Computed tomography, abdomen; axial view
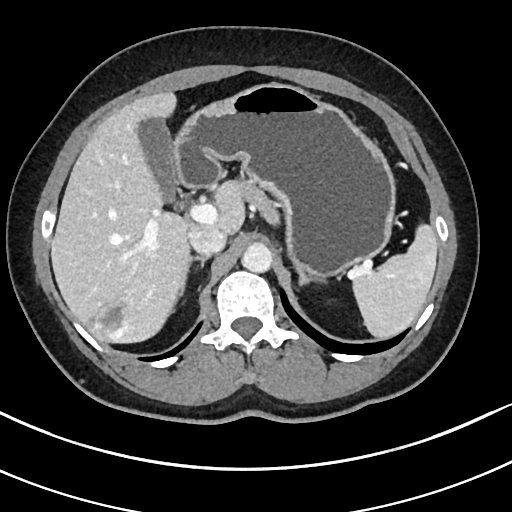
Boxes: x1 y1 x2 y2 (pixel coords, space-separated).
Organ bounding boxes:
- right adrenal gland: 180 256 209 296
- gall bladder: 140 116 177 201
- pancreas: 240 183 279 225
- stomach: 173 83 397 277
- liver: 50 91 246 344
- aorta: 242 244 272 273
- spleen: 352 226 436 337
- left adrenal gland: 295 267 324 284
- inferior vena cava: 189 226 226 255